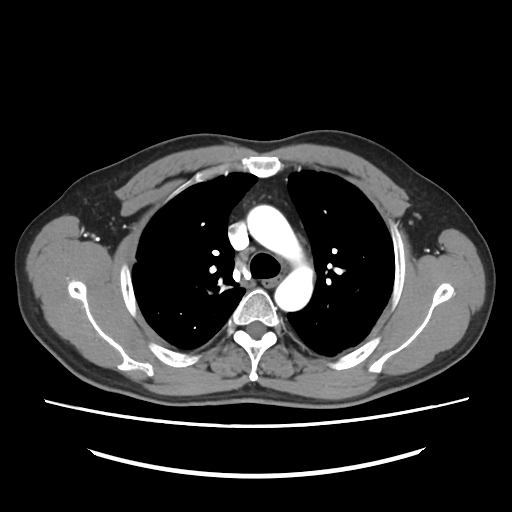
CT of the abdomen extending into the chest, slice through the chest — axial view — 512x512 px
At this level of the chest no structure but the esophagus and the aorta has a label in this dataset, and those two are boxed only where they are labeled.
{"organs":{"esophagus":[262,274,283,288],"aorta":[247,205,313,311]}}